Chest-level slice from an abdominal CT that extends up into the chest · axial view · SOMATOM Force scanner
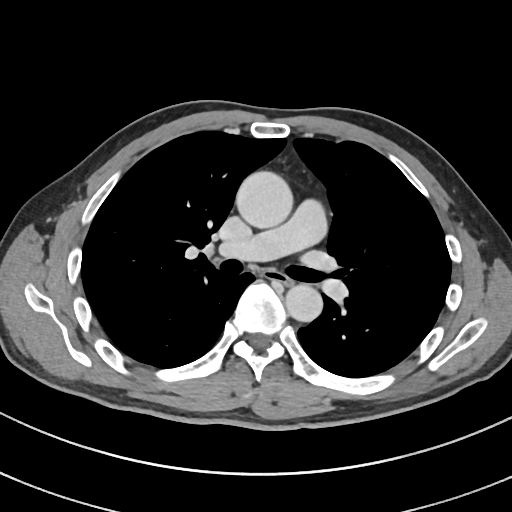

At this level of the chest no structure but the esophagus and the aorta has a label in this dataset, and those two are boxed only where they are labeled.
<organs><organ name="esophagus" x1="263" y1="270" x2="292" y2="284"/><organ name="aorta" x1="235" y1="170" x2="292" y2="228"/><organ name="aorta" x1="284" y1="283" x2="322" y2="322"/></organs>